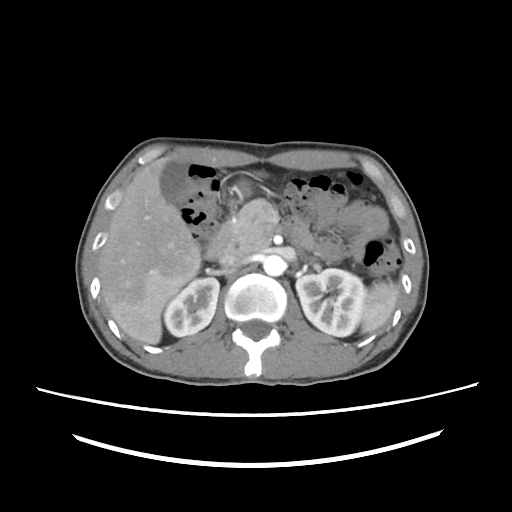
Computed tomography, abdomen; axial view; soft-tissue window (W 400 / L 40); 512x512 px; 13 organs annotated in this scan (that count is for the whole scan; organs this slice misses have no box)
Boxes: x1 y1 x2 y2 (pixel coords, space-separated).
Organ bounding boxes:
- spleen: 360 280 398 333
- right kidney: 165 277 219 337
- left kidney: 295 269 365 335
- gall bladder: 161 160 188 205
- liver: 99 156 200 345
- stomach: 230 204 233 205
- aorta: 262 254 286 276
- inferior vena cava: 218 255 238 268
- pancreas: 232 199 279 254
- duodenum: 205 220 313 260